Abdominal CT — axial view — W/L 400/40 HU
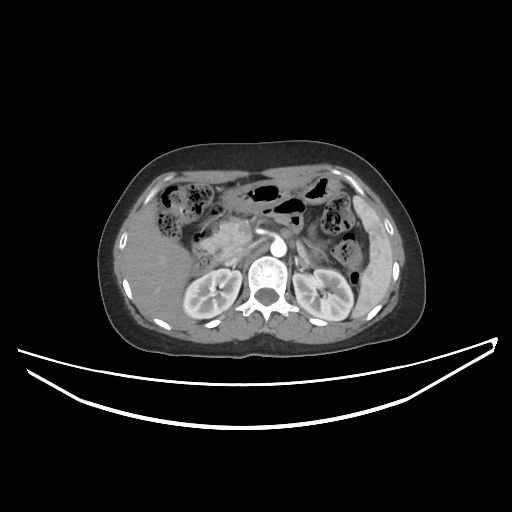 {"organs":{"aorta":[270,239,286,257],"spleen":[351,196,392,318],"liver":[124,175,311,328],"duodenum":[192,242,219,274],"inferior vena cava":[225,249,249,265],"stomach":[222,176,340,212],"right kidney":[183,269,241,318],"pancreas":[204,218,306,259],"left adrenal gland":[297,258,307,270],"left kidney":[292,269,353,320]}}